CT abdomen; Axial slice 123/307; abdomen soft-tissue window; acquired on SOMATOM Force; scan has 15 labeled organs (counted over the whole 3D scan, not this slice; an organ is boxed only where this slice passes through it)
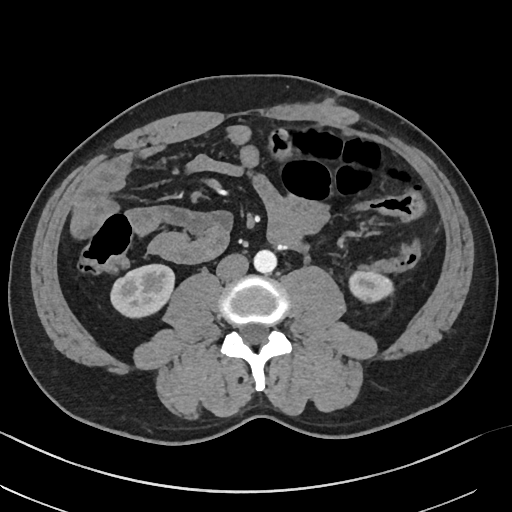 Bounding boxes in pixels, one row per box: x1, y1 is the top-left corner and x2, y2 the bottom-right.
| organ | x1 | y1 | x2 | y2 |
|---|---|---|---|---|
| right kidney | 109 | 264 | 175 | 317 |
| left kidney | 350 | 270 | 392 | 300 |
| aorta | 254 | 249 | 277 | 273 |
| inferior vena cava | 216 | 253 | 248 | 280 |